CT abdomen. axial view. 512x512 px. scan has 15 labeled organs (a whole-scan count: organs this slice does not pass through have no box)
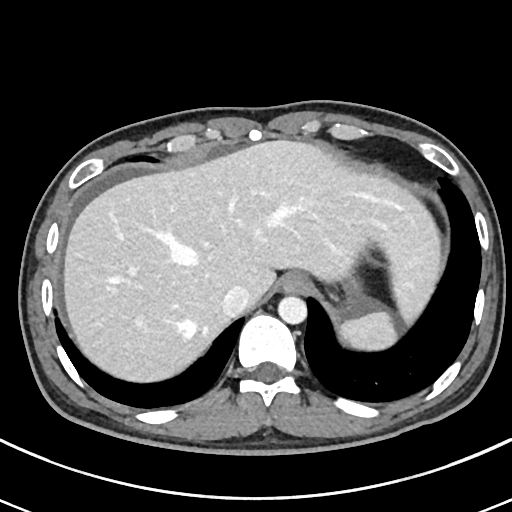 Bounding boxes in pixels, one row per box: x1, y1 is the top-left corner and x2, y2 the bottom-right.
| organ | x1 | y1 | x2 | y2 |
|---|---|---|---|---|
| spleen | 338 | 310 | 397 | 351 |
| esophagus | 280 | 272 | 310 | 292 |
| liver | 62 | 139 | 442 | 381 |
| stomach | 343 | 274 | 362 | 316 |
| aorta | 277 | 296 | 306 | 324 |
| inferior vena cava | 221 | 285 | 250 | 316 |